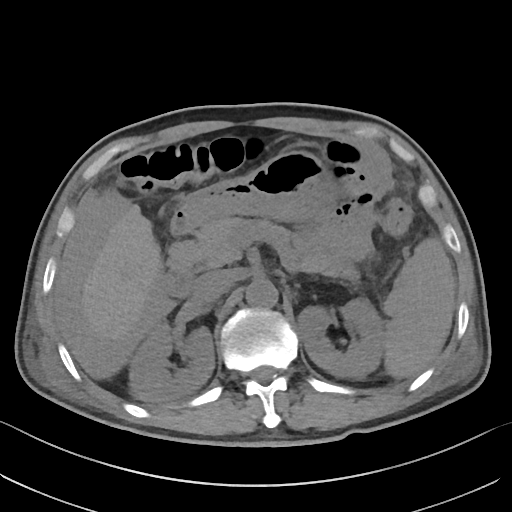 CT, abdomen/pelvis; Axial slice 65/100; abdomen soft-tissue window; SOMATOM Force scanner
{"organs":{"spleen":[384,237,454,378],"left kidney":[297,298,384,378],"duodenum":[158,211,196,297],"stomach":[178,151,336,230],"liver":[80,207,162,342],"inferior vena cava":[193,270,231,303],"aorta":[246,279,277,308],"pancreas":[167,217,359,281],"right kidney":[129,321,214,401]}}